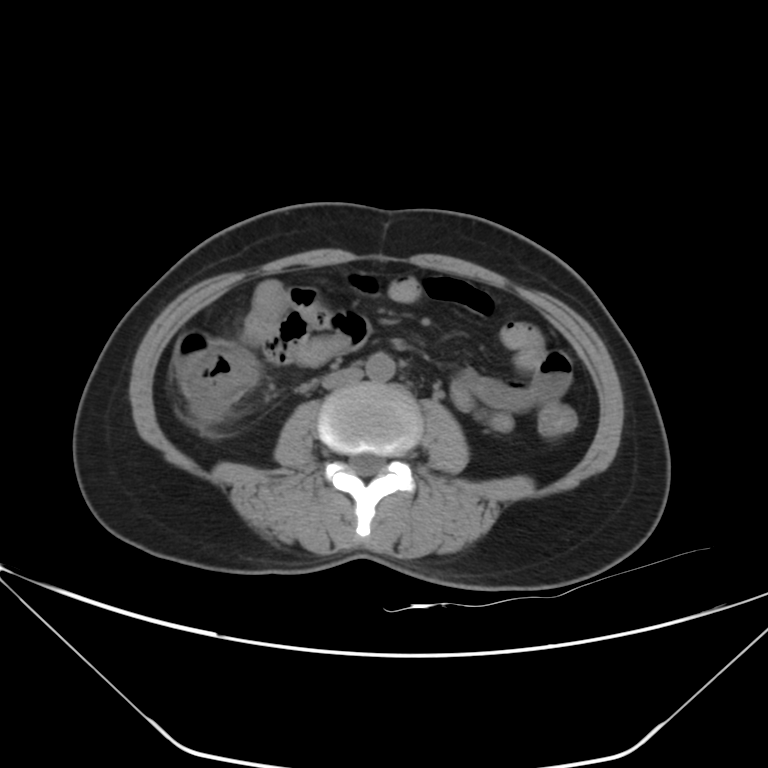 CT abdomen · Axial slice 43/90 · soft-tissue window (W 400 / L 40) · 768x768 px · scan has 15 labeled organs (that count is for the whole scan; organs this slice misses have no box)
Boxes: x1 y1 x2 y2 (pixel coords, space-separated). 2 labeled organs on this slice — aorta at 365 353 396 381; inferior vena cava at 321 367 363 389.